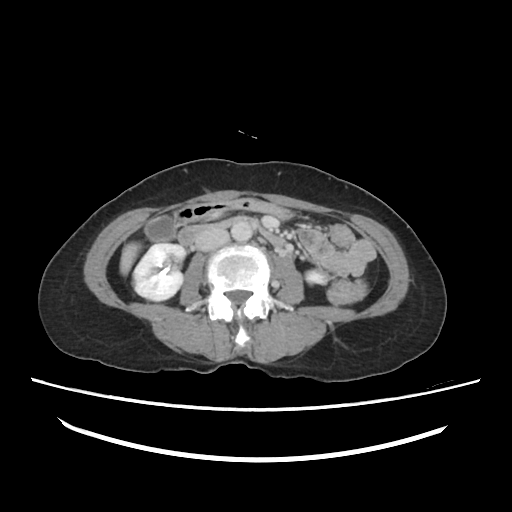
Computed tomography, abdomen. Axial slice 47/82. soft-tissue window. scan has 15 labeled organs (counted over the whole 3D scan, not this slice; an organ is boxed only where this slice passes through it)
<organs><organ name="stomach" x1="172" y1="197" x2="295" y2="222"/><organ name="gall bladder" x1="145" y1="217" x2="174" y2="241"/><organ name="aorta" x1="230" y1="221" x2="252" y2="242"/><organ name="liver" x1="120" y1="242" x2="139" y2="274"/><organ name="left kidney" x1="306" y1="271" x2="327" y2="283"/><organ name="right kidney" x1="132" y1="242" x2="187" y2="300"/><organ name="inferior vena cava" x1="193" y1="228" x2="229" y2="251"/><organ name="duodenum" x1="177" y1="217" x2="284" y2="246"/></organs>